Computed tomography, abdomen; axial plane, index 160; abdomen soft-tissue window
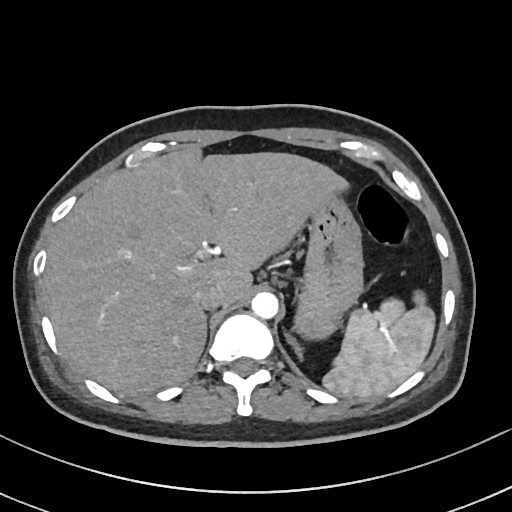
Box edges are left/top/right/bottom in pixels. 6 labeled organs on this slice — spleen at left=322, top=290, right=436, bottom=399; liver at left=43, top=150, right=347, bottom=396; stomach at left=295, top=191, right=363, bottom=338; aorta at left=251, top=291, right=278, bottom=318; inferior vena cava at left=195, top=284, right=224, bottom=310; left adrenal gland at left=283, top=326, right=305, bottom=359.